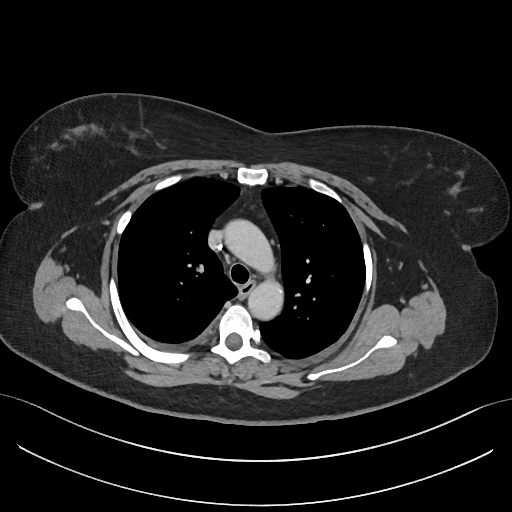
CT of the abdomen extending into the chest, slice through the chest · axial view · 512x512 px · SOMATOM Force scanner · 15 organs annotated in this scan (counted over the whole 3D scan, not this slice; an organ is boxed only where this slice passes through it)
At this level of the chest this dataset labels only the esophagus and the aorta, and each is boxed only where it is labeled; the heart and lungs are never labeled.
One row per box, in pixels: columns x1 and y1 give the top-left corner, x2 and y2 the bottom-right.
| organ | x1 | y1 | x2 | y2 |
|---|---|---|---|---|
| esophagus | 239 | 283 | 253 | 296 |
| aorta | 223 | 219 | 275 | 274 |
| aorta | 247 | 277 | 283 | 320 |